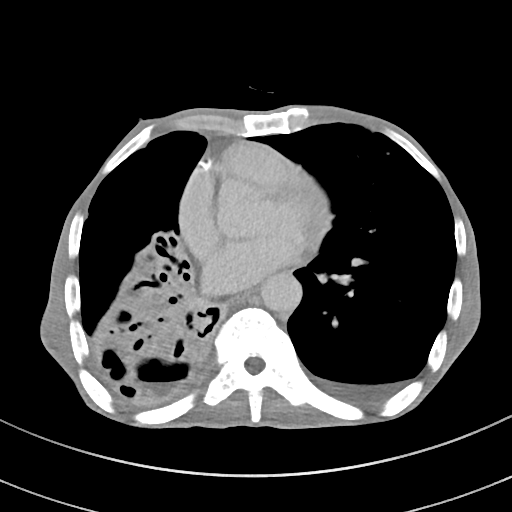 Abdominal CT; this slice is in the lower chest, just above the liver — Axial slice 91/92 — W/L 400/40 HU — acquired on SOMATOM Force
No part of the heart or lungs is labeled in this dataset, so neither has a box here.
Boxes: x1:y1:x2:y2 in pixels.
Organ bounding boxes:
- esophagus: 229:290:254:303
- aorta: 260:272:302:311